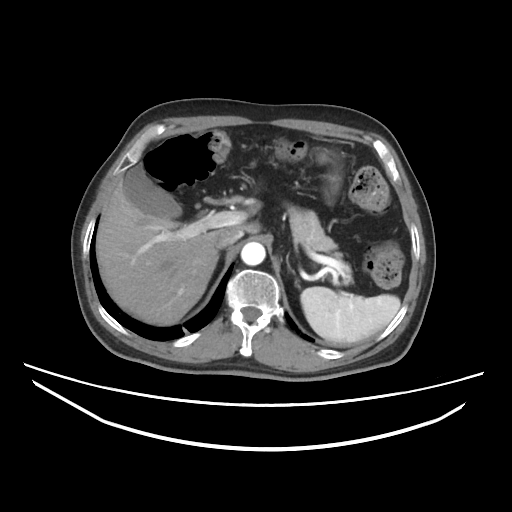 CT abdomen. axial view. soft-tissue window. 512x512 px. 58-year-old male patient
{"organs":{"spleen":[300,286,400,344],"duodenum":[206,198,240,202],"left adrenal gland":[286,256,290,268],"stomach":[325,154,341,199],"gall bladder":[123,164,181,218],"aorta":[241,242,265,265],"pancreas":[287,206,351,283],"liver":[96,178,259,325],"inferior vena cava":[215,227,243,248]}}